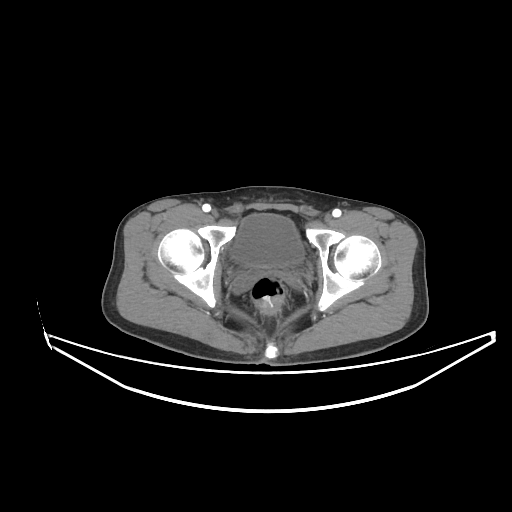

Computed tomography, abdomen; axial plane, index 14; soft-tissue window (W 400 / L 40); 512x512 px; 52-year-old male patient
<organs><organ name="bladder" x1="232" y1="213" x2="304" y2="266"/></organs>